CT, abdomen/pelvis — axial view — soft-tissue window — 54-year-old male patient
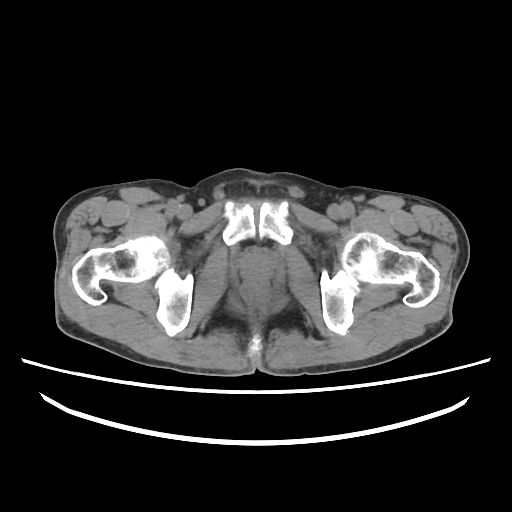 Bounding boxes as [x1, y1, x2, y2] in pixel coordinates.
Organ bounding boxes:
- prostate/uterus: [241, 255, 272, 278]